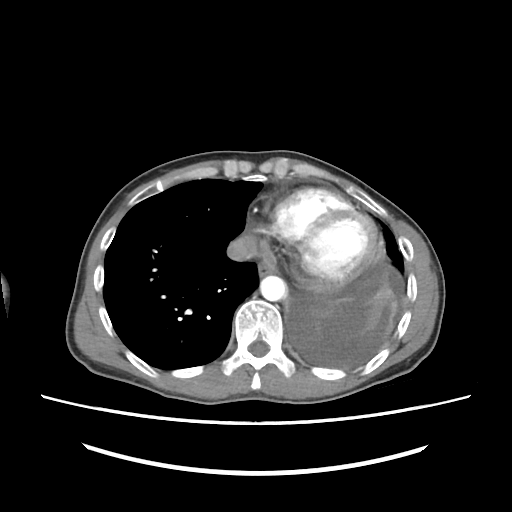
Abdominal CT; this slice is in the lower chest, just above the liver. axial plane, index 83. 46-year-old male patient
Of the structures in the chest, this dataset labels only the esophagus, the aorta and the inferior vena cava; the heart and lungs have no label.
One row per box, in pixels: columns x1 and y1 give the top-left corner, x2 and y2 the bottom-right.
| organ | x1 | y1 | x2 | y2 |
|---|---|---|---|---|
| esophagus | 258 | 260 | 274 | 276 |
| aorta | 260 | 275 | 286 | 301 |
| inferior vena cava | 227 | 235 | 257 | 260 |